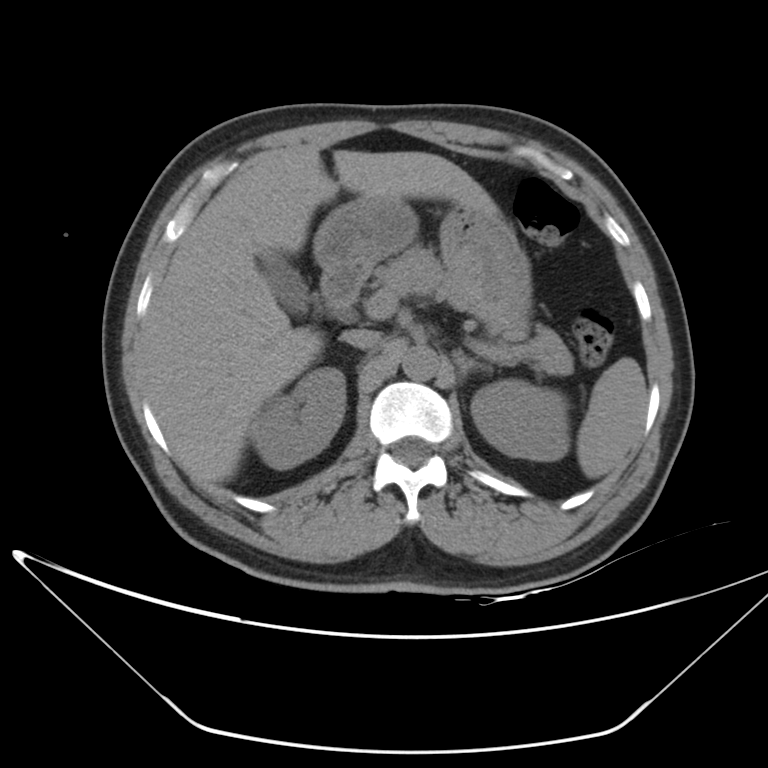

Computed tomography, abdomen · axial view · 42-year-old male patient · Brilliance16 scanner
Boxes: x1:y1:x2:y2 in pixels. 11 labeled organs on this slice — spleen at 577:357:647:478; right kidney at 252:368:344:469; left kidney at 471:380:568:462; gall bladder at 256:254:310:313; liver at 142:149:499:485; stomach at 313:194:531:322; aorta at 402:345:439:380; inferior vena cava at 341:329:380:349; pancreas at 372:245:573:374; left adrenal gland at 454:348:493:379; duodenum at 320:264:368:313.